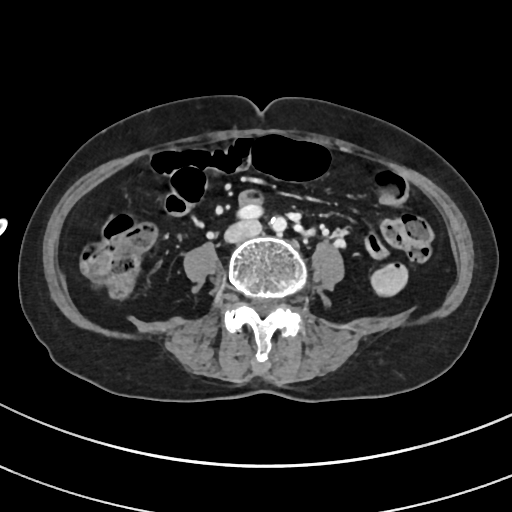

Abdominal CT — axial view — soft-tissue window (W 400 / L 40) — 512x512 px — 15 organs annotated in this scan (counted over the whole 3D scan, not this slice; an organ is boxed only where this slice passes through it)
<organs><organ name="inferior vena cava" x1="224" y1="220" x2="262" y2="243"/></organs>